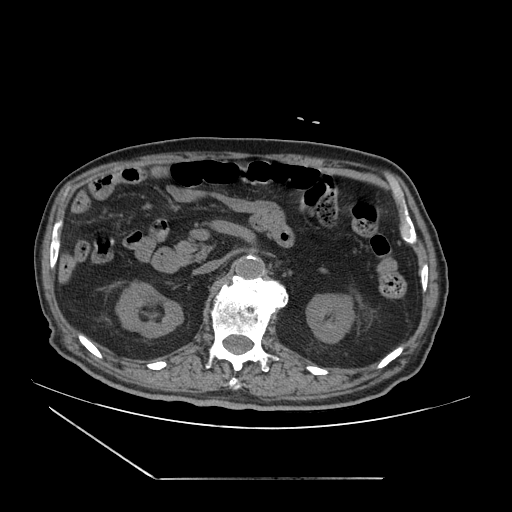
Computed tomography, abdomen · axial view · soft-tissue window (W 400 / L 40)
Box edges are left/top/right/bottom in pixels.
Organ bounding boxes:
- right kidney: left=115, top=281, right=183, bottom=337
- left kidney: left=306, top=294, right=354, bottom=343
- aorta: left=234, top=255, right=264, bottom=278
- inferior vena cava: left=194, top=260, right=221, bottom=274
- pancreas: left=175, top=239, right=212, bottom=264
- duodenum: left=151, top=247, right=181, bottom=272